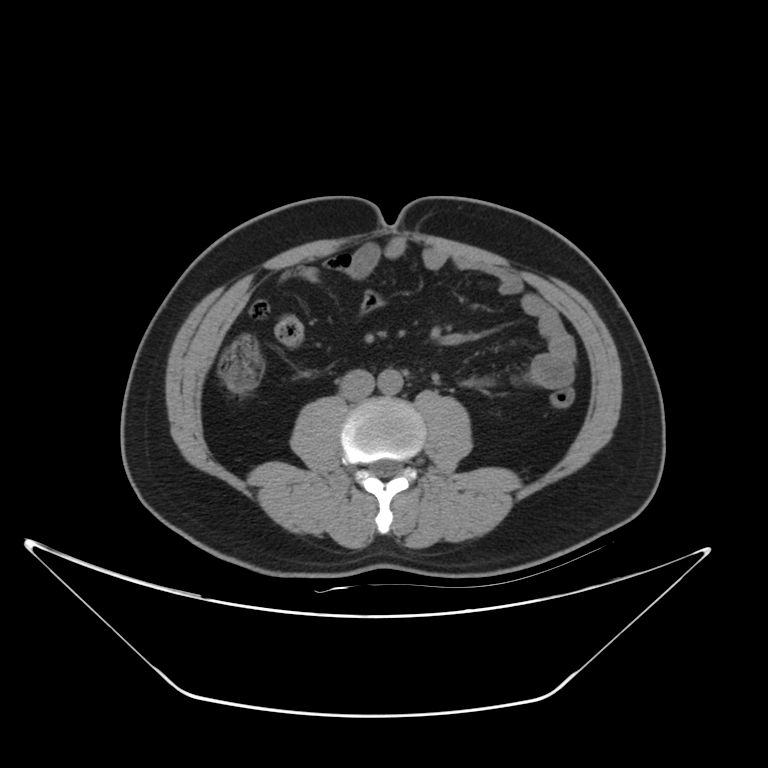
CT, abdomen/pelvis. axial view. 40-year-old male patient
<organs><organ name="aorta" x1="378" y1="369" x2="402" y2="395"/><organ name="inferior vena cava" x1="340" y1="369" x2="374" y2="400"/></organs>